Computed tomography, abdomen; axial view; soft-tissue window; 25-year-old male patient
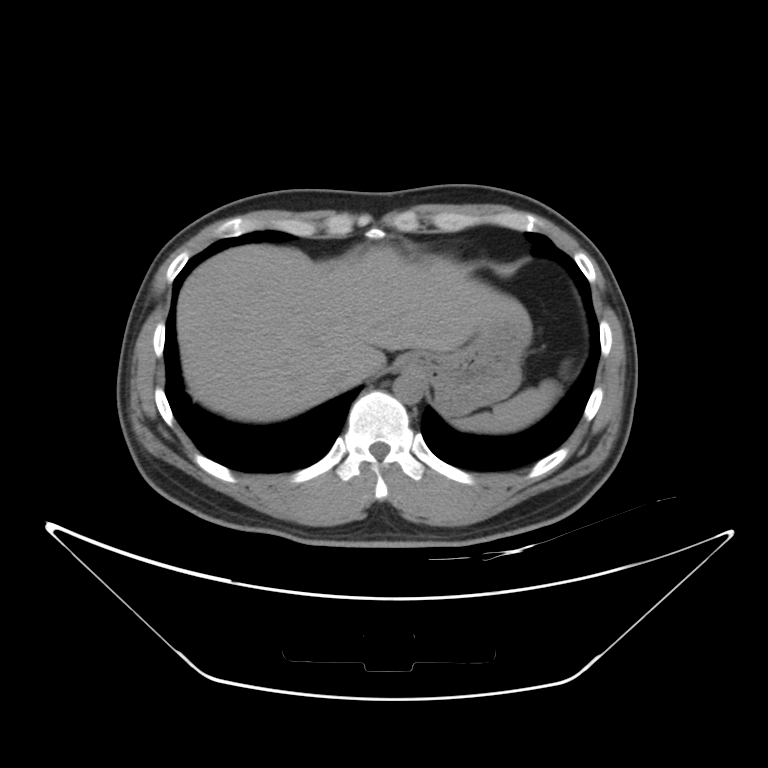 Boxes are (x1, y1, x2, y2) in pixels.
spleen: (453, 379, 560, 433)
esophagus: (394, 355, 421, 371)
liver: (177, 245, 527, 421)
stomach: (416, 319, 531, 416)
aorta: (392, 372, 424, 403)
inferior vena cava: (325, 360, 355, 389)